Computed tomography, abdomen; Axial slice 71/100; 768x768 px
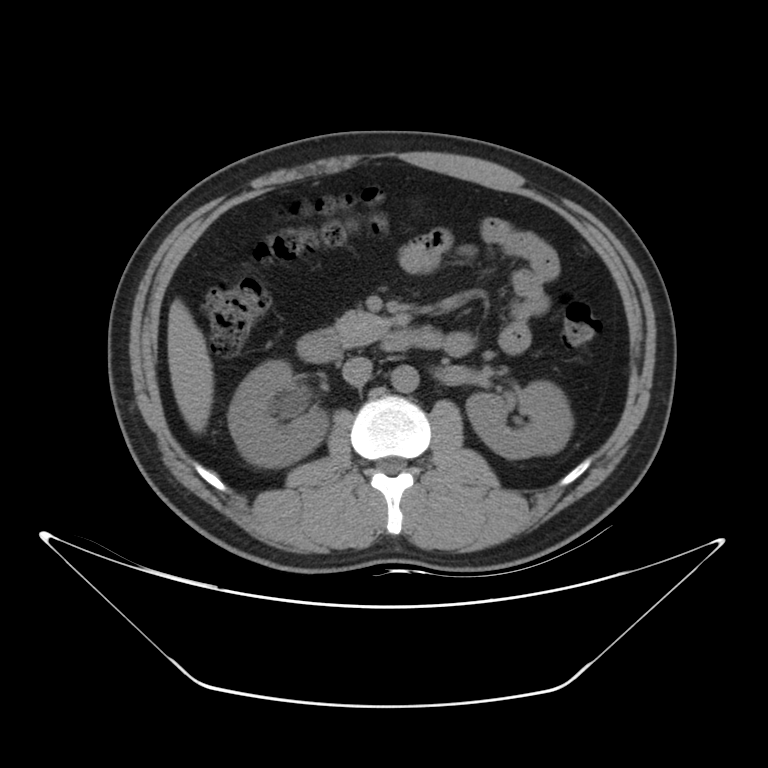 Bounding boxes as [x1, y1, x2, y2] in pixel coordinates.
right kidney: [228, 360, 328, 467]
left kidney: [466, 381, 573, 458]
liver: [167, 300, 213, 433]
aorta: [391, 365, 418, 393]
inferior vena cava: [342, 356, 372, 386]
pancreas: [333, 310, 389, 346]
duodenum: [296, 327, 442, 362]